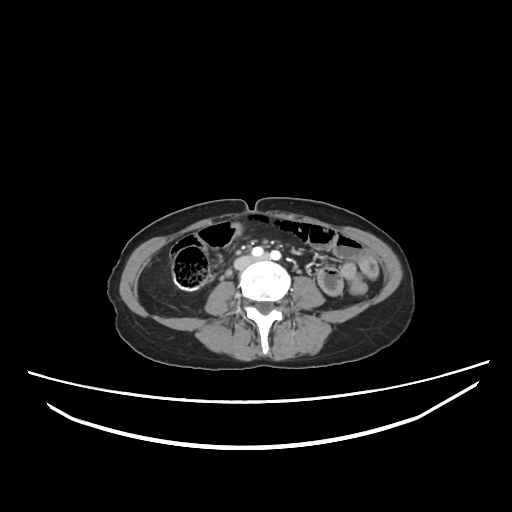 Abdominal CT · axial view · 512x512 px
Coordinates as <box>x1,y1,x2,y2</box> in pixels. 1 labeled organ on this slice — inferior vena cava at <box>234,256,252,269</box>.